Abdominal CT; axial view; abdomen soft-tissue window; SOMATOM Force scanner
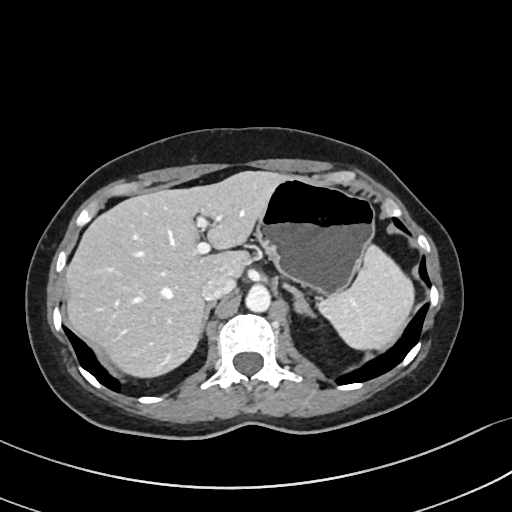 Coordinates as <box>x1,y1,x2,y2</box> in pixels.
spleen: <box>318,245,414,349</box>
liver: <box>66,171,287,377</box>
stomach: <box>255,176,374,295</box>
aorta: <box>245,287,270,312</box>
inferior vena cava: <box>200,274,235,300</box>
right adrenal gland: <box>200,302,215,337</box>
left adrenal gland: <box>284,284,314,315</box>